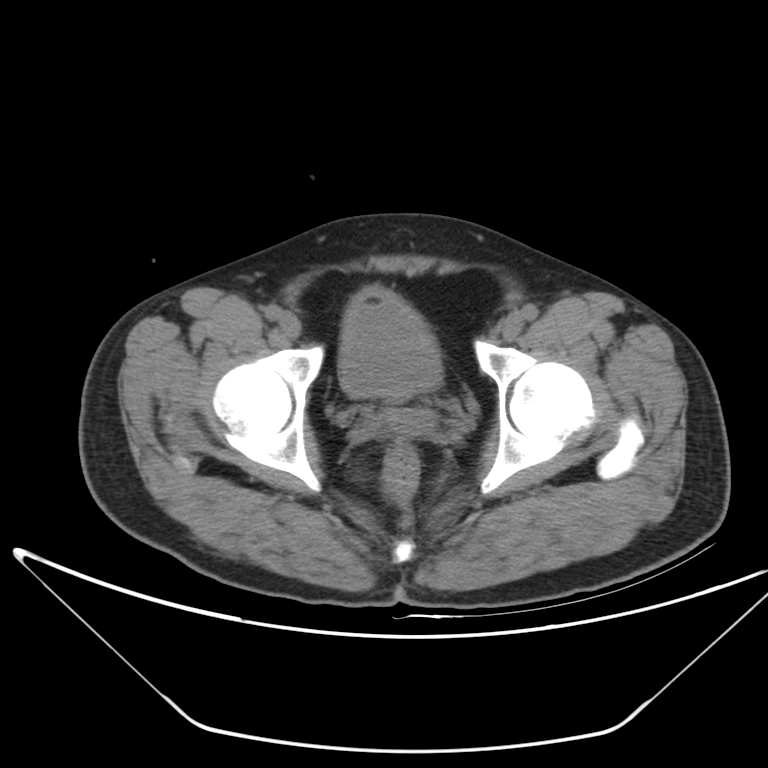
CT, abdomen/pelvis · axial view · scan has 15 labeled organs (that count is for the whole scan; organs this slice misses have no box)
Coordinates as <box>x1,y1,x2,y2</box> in pixels.
Organ bounding boxes:
- bladder: <box>338,288,441,401</box>